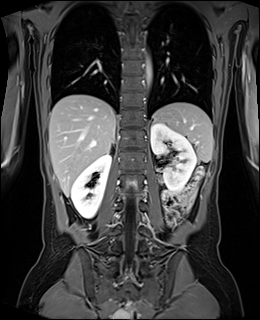

Magnetic resonance imaging, abdomen — coronal view — percentile-normalized
Bounding boxes as [x1, y1, x2, y2] in pixel coordinates. The annotated organs in this slice are: spleen at [158, 102, 213, 162], right kidney at [71, 153, 111, 218], left kidney at [151, 123, 196, 191], liver at [49, 94, 115, 196], stomach at [153, 111, 170, 122], aorta at [146, 58, 151, 86], right adrenal gland at [108, 142, 115, 152].